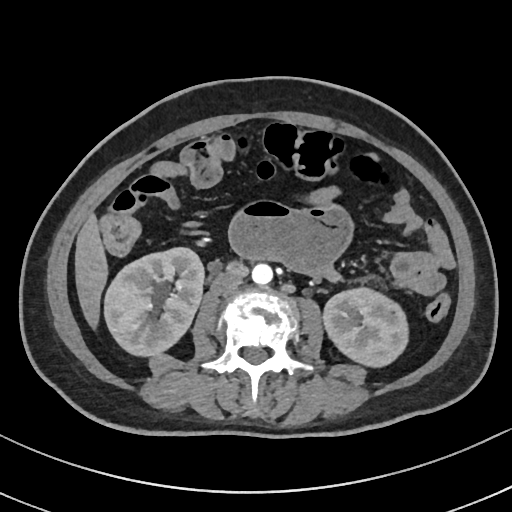
Computed tomography, abdomen — Axial slice 106/191 — soft-tissue window (W 400 / L 40) — 512x512 px
Bounding boxes in pixels, one row per box: x1, y1 is the top-left corner and x2, y2 the bottom-right.
| organ | x1 | y1 | x2 | y2 |
|---|---|---|---|---|
| right kidney | 104 | 247 | 204 | 353 |
| left kidney | 324 | 287 | 408 | 367 |
| liver | 75 | 216 | 107 | 324 |
| aorta | 252 | 263 | 273 | 285 |
| inferior vena cava | 211 | 273 | 242 | 294 |